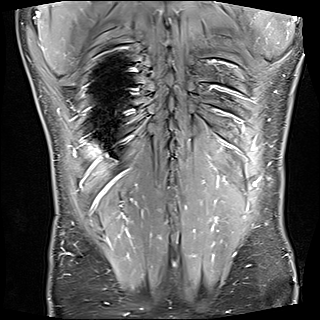
Abdominal MRI. Coronal slice 3/60. 1st–99th percentile window. 320x320 px. 13 organs annotated in this scan (counted over the whole 3D scan, not this slice; an organ is boxed only where this slice passes through it)
{"organs":{"liver":[90,146,98,155]}}